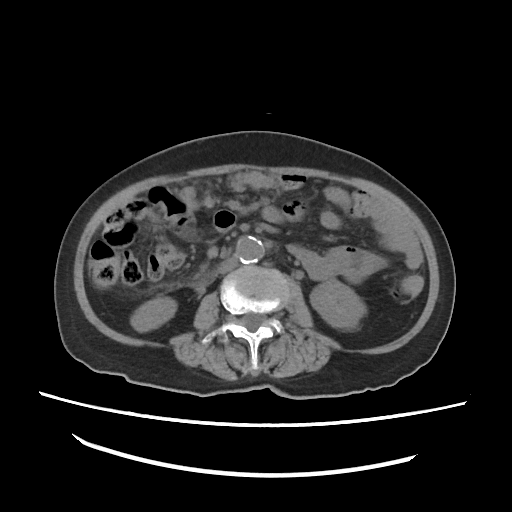

Abdominal CT — axial plane, index 52
Boxes: x1 y1 x2 y2 (pixel coords, space-separated). Labeled organs on this slice: right kidney at 132 297 175 330, left kidney at 308 280 363 328, aorta at 236 236 263 263, inferior vena cava at 216 259 238 275, duodenum at 194 281 205 293.